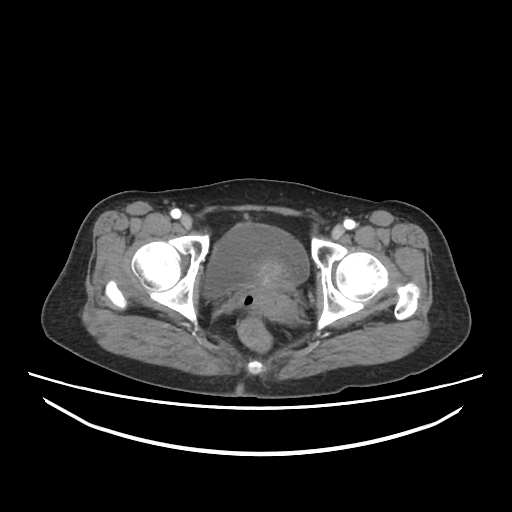

Computed tomography, abdomen — Axial slice 10/80 — abdomen soft-tissue window — 62-year-old female patient — Aquilion ONE scanner — 15 organs annotated in this scan (counted over the whole 3D scan, not this slice; an organ is boxed only where this slice passes through it)
Boxes: x1 y1 x2 y2 (pixel coords, space-separated). Labeled organs on this slice: bladder at 205 223 309 296, prostate/uterus at 255 259 287 292.